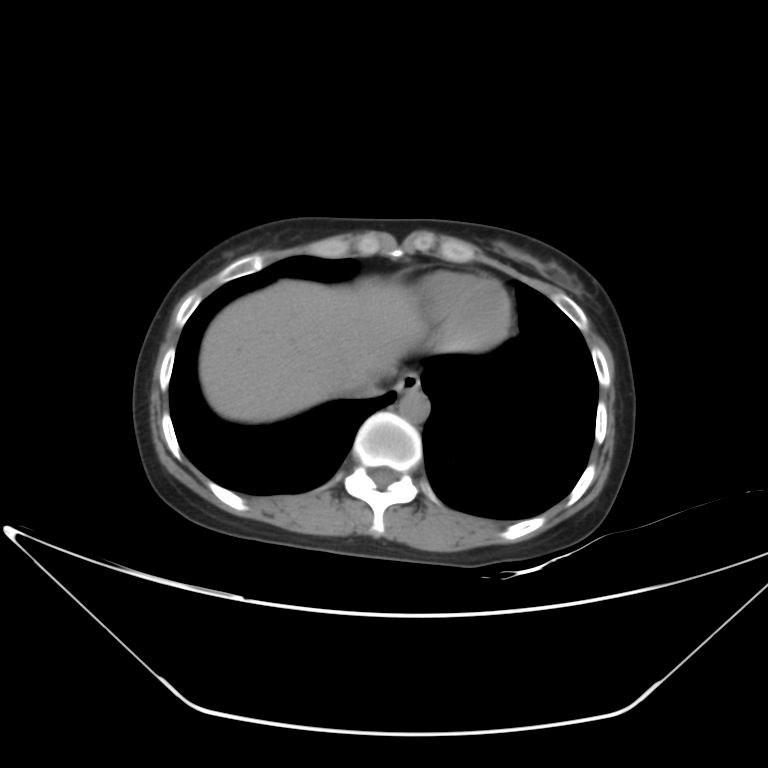 Abdominal CT — axial view — 768x768 px — scan has 15 labeled organs (a whole-scan count: organs this slice does not pass through have no box)
Each box given as x1,y1,x2,y2.
esophagus: x1=395, y1=371, x2=419, y2=393
liver: x1=200, y1=279, x2=423, y2=422
aorta: x1=399, y1=389, x2=430, y2=422
inferior vena cava: x1=345, y1=377, x2=381, y2=396